Magnetic resonance imaging, abdomen. axial view. percentile-normalized. 12 organs annotated in this scan (that count is for the whole scan; organs this slice misses have no box)
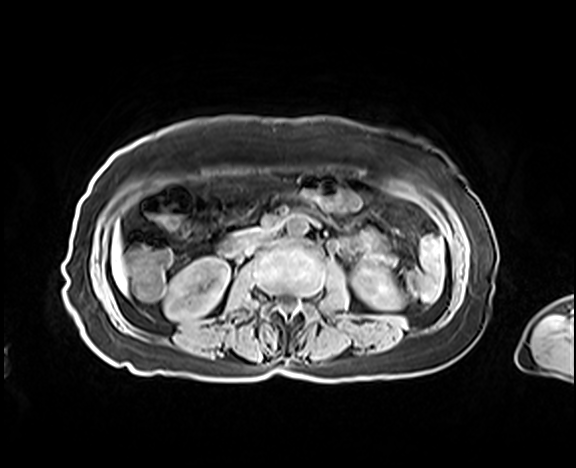

Bounding boxes in pixels, one row per box: x1, y1 is the top-left corner and x2, y2 the bottom-right.
| organ | x1 | y1 | x2 | y2 |
|---|---|---|---|---|
| right kidney | 164 | 257 | 229 | 320 |
| left kidney | 352 | 267 | 401 | 309 |
| liver | 111 | 231 | 127 | 291 |
| aorta | 286 | 214 | 308 | 237 |
| inferior vena cava | 247 | 231 | 273 | 252 |
| duodenum | 219 | 230 | 260 | 256 |